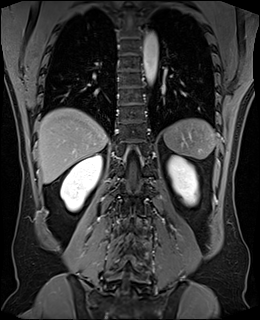

Abdominal MRI. coronal acquisition. 1st–99th percentile window. 260x320 px
Bounding boxes as [x1, y1, x2, y2] in pixel coordinates.
Organ bounding boxes:
- liver: [37, 108, 107, 183]
- left kidney: [167, 155, 198, 205]
- right kidney: [60, 154, 102, 211]
- aorta: [143, 31, 157, 84]
- spleen: [163, 118, 217, 158]